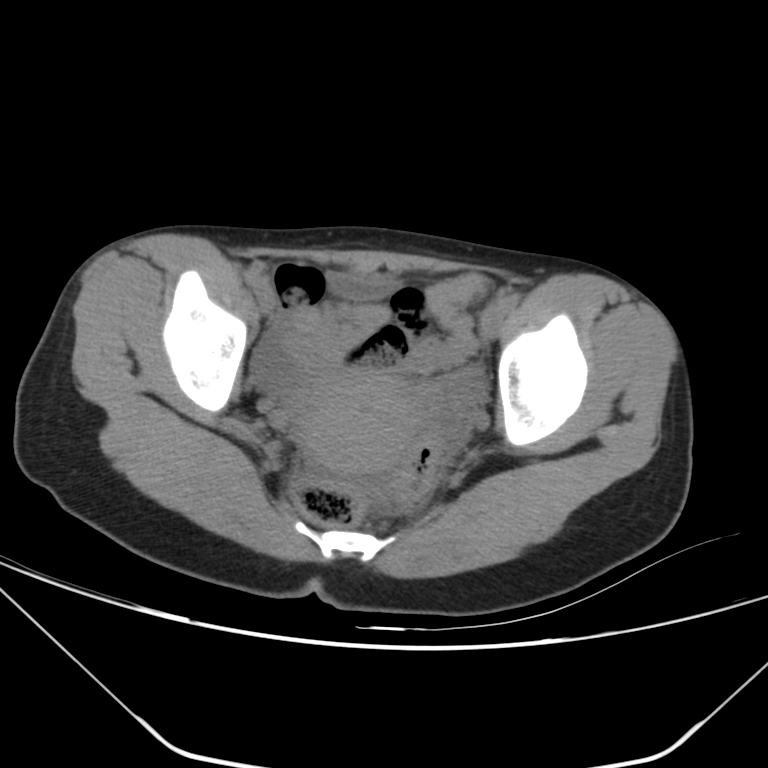 Computed tomography, abdomen · axial view · soft-tissue window · 768x768 px · Brilliance16 scanner · scan has 15 labeled organs (that count is for the whole scan; organs this slice misses have no box)
{"organs":{"prostate/uterus":[297,368,420,479]}}